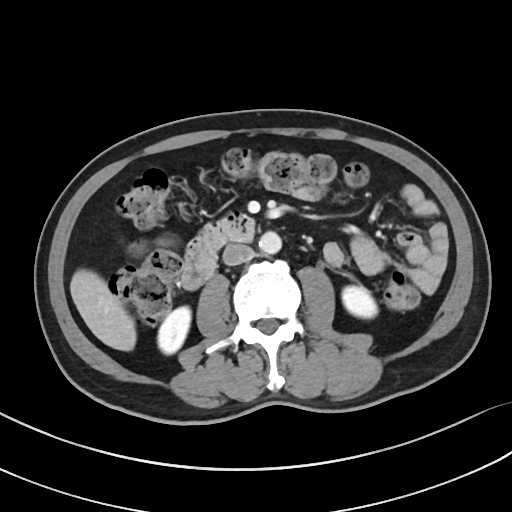
Abdominal CT — axial plane, index 50 — abdomen soft-tissue window — 512x512 px — 15 organs annotated in this scan (that count is for the whole scan; organs this slice misses have no box)
Bounding boxes in pixels, one row per box: x1, y1 is the top-left corner and x2, y2 the bottom-right.
| organ | x1 | y1 | x2 | y2 |
|---|---|---|---|---|
| aorta | 259 | 231 | 281 | 254 |
| liver | 70 | 269 | 136 | 351 |
| left kidney | 342 | 286 | 377 | 318 |
| right kidney | 158 | 306 | 190 | 354 |
| duodenum | 182 | 213 | 254 | 289 |
| inferior vena cava | 222 | 243 | 254 | 265 |